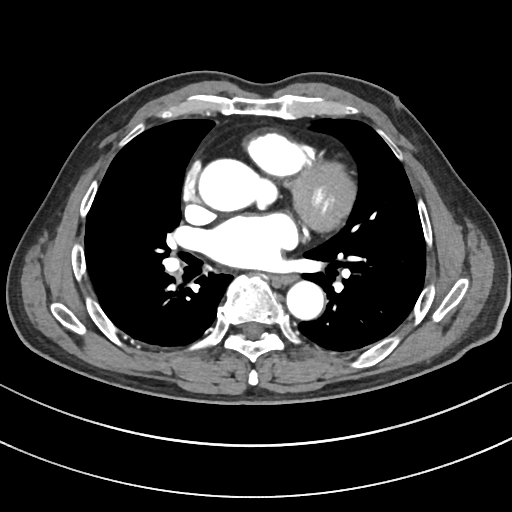

Lower-chest slice from an abdominal CT, just above the liver and spleen; axial plane, index 211; soft-tissue window; 512x512 px
Of the structures in the chest, this dataset labels only the esophagus, the aorta and the inferior vena cava; the heart and lungs have no label.
Bounding boxes in pixels, one row per box: x1, y1 is the top-left corner and x2, y2 the bottom-right.
| organ | x1 | y1 | x2 | y2 |
|---|---|---|---|---|
| esophagus | 272 | 275 | 294 | 284 |
| aorta | 199 | 159 | 275 | 211 |
| aorta | 286 | 281 | 324 | 319 |